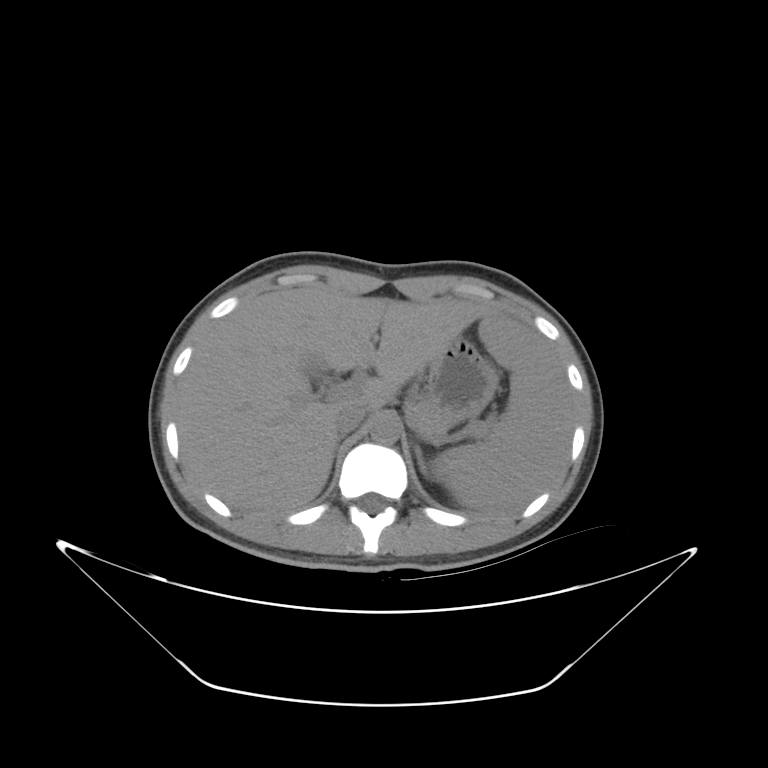 Computed tomography, abdomen — axial plane, index 79 — 768x768 px
{"organs":{"liver":[177,286,487,515],"stomach":[416,342,496,427],"aorta":[368,419,400,443],"left adrenal gland":[412,441,427,478],"pancreas":[405,400,442,436],"right adrenal gland":[333,435,345,457],"spleen":[433,313,572,510],"inferior vena cava":[337,410,368,434]}}